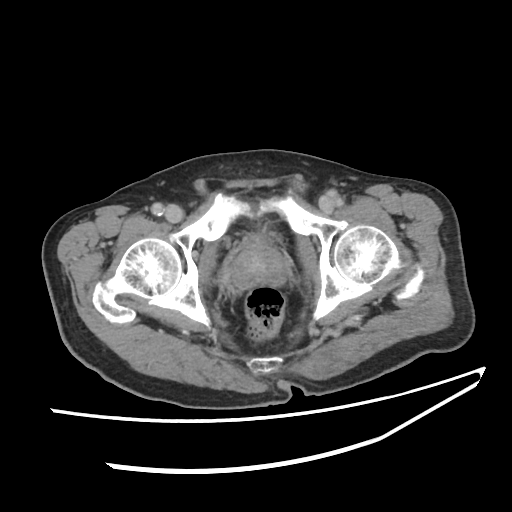 CT, abdomen/pelvis; axial view; soft-tissue window
{"organs":{"prostate/uterus":[231,235,286,288]}}